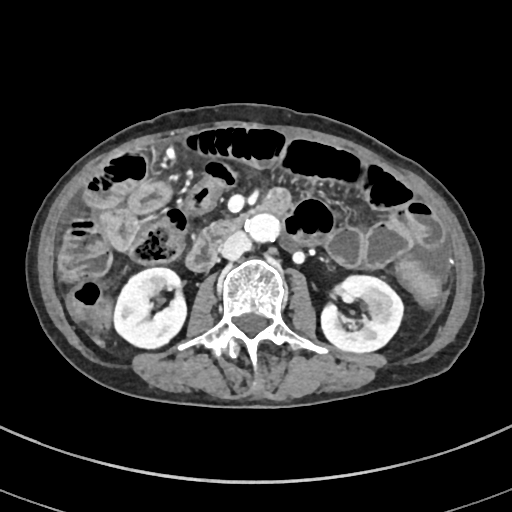
CT, abdomen/pelvis; axial view; soft-tissue window; 512x512 px
Bounding boxes as [x1, y1, x2, y2] in pixel coordinates.
Organ bounding boxes:
- left kidney: [321, 274, 403, 353]
- aorta: [244, 214, 280, 242]
- right kidney: [113, 267, 187, 349]
- inferior vena cava: [218, 232, 249, 260]
- duodenum: [184, 187, 290, 271]